Computed tomography, abdomen; axial view
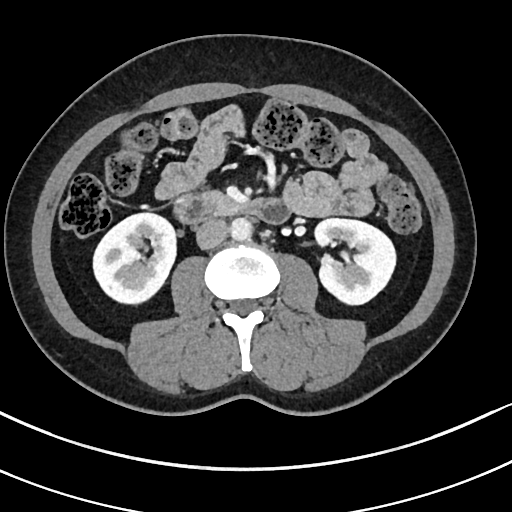 {"organs":{"right kidney":[94,212,176,303],"left kidney":[313,218,395,305],"aorta":[229,216,253,240],"inferior vena cava":[196,218,228,249],"pancreas":[208,192,224,199],"duodenum":[177,192,288,223]}}